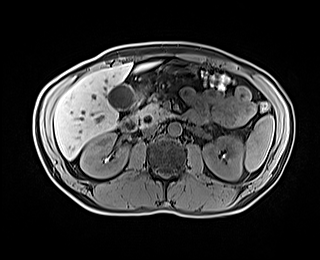
Magnetic resonance imaging, abdomen · axial plane, index 35 · 320x260 px
Boxes: x1 y1 x2 y2 (pixel coords, space-separated).
Organ bounding boxes:
- spleen: 244 115 274 171
- right kidney: 80 133 128 177
- left kidney: 203 136 243 180
- gall bladder: 107 84 135 110
- liver: 54 63 155 159
- stomach: 160 60 197 73
- aorta: 168 122 181 136
- inferior vena cava: 143 125 158 135
- pancreas: 135 101 176 127
- duodenum: 120 88 147 131